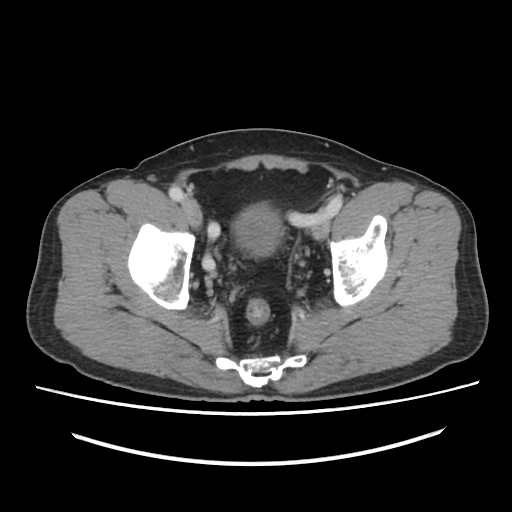
Abdominal CT; axial view; scan has 14 labeled organs (that count is for the whole scan; organs this slice misses have no box)
Boxes: x1 y1 x2 y2 (pixel coords, space-separated).
Organ bounding boxes:
- bladder: 233 203 282 255